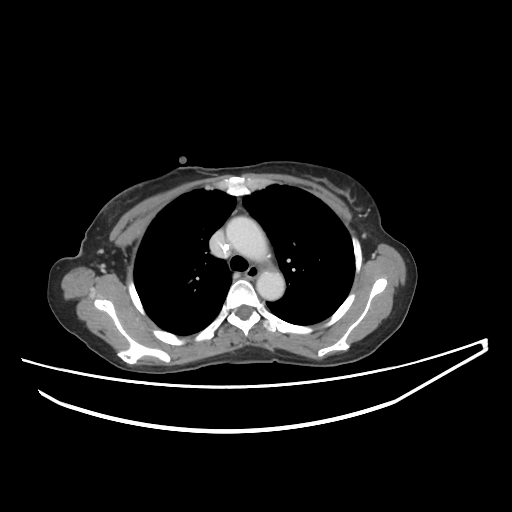

CT of the abdomen extending into the chest, slice through the chest · axial plane, index 103 · 512x512 px · scan has 15 labeled organs (a whole-scan count: organs this slice does not pass through have no box)
On a slice this high in the chest, this dataset labels only the esophagus and the aorta, and each is boxed only where it is labeled; the heart, lungs and other chest structures are not labeled.
<organs><organ name="esophagus" x1="245" y1="264" x2="259" y2="279"/><organ name="aorta" x1="226" y1="216" x2="269" y2="262"/><organ name="aorta" x1="256" y1="268" x2="284" y2="300"/></organs>